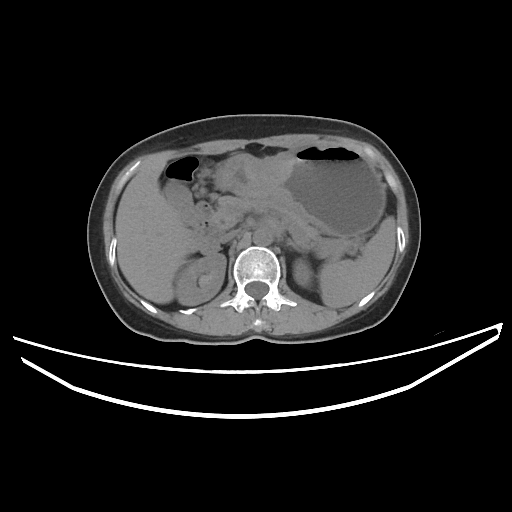
Computed tomography, abdomen; axial view; 512x512 px; 50-year-old female patient
Each box given as x1,y1,x2,y2.
gall bladder: x1=164, y1=181, x2=193, y2=224
right kidney: x1=176, y1=253, x2=226, y2=305
stomach: x1=215, y1=141, x2=385, y2=237
aorta: x1=253, y1=227, x2=273, y2=245
left kidney: x1=293, y1=259, x2=312, y2=287
left adrenal gland: x1=292, y1=243, x2=306, y2=253
liver: x1=115, y1=156, x2=194, y2=303
inferior vena cava: x1=221, y1=229, x2=241, y2=242
duodenum: x1=191, y1=201, x2=223, y2=253
spleen: x1=318, y1=216, x2=395, y2=308
pancreas: x1=213, y1=195, x2=359, y2=257